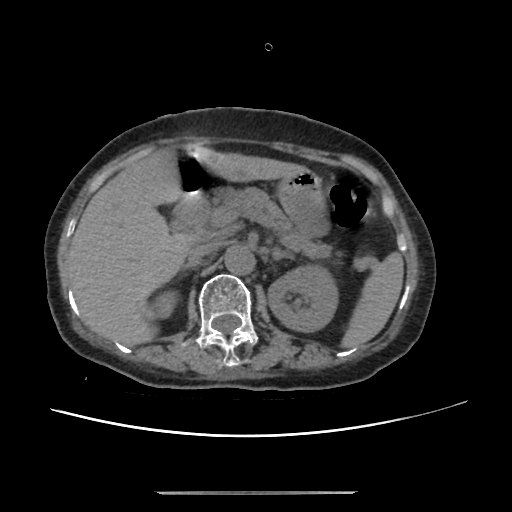 Abdominal CT; Axial slice 247/353; acquired on SOMATOM Force; scan has 14 labeled organs (a whole-scan count: organs this slice does not pass through have no box)
Boxes: x1:y1:x2:y2 in pixels. Labeled organs on this slice: spleen at 341:252:403:348, right adrenal gland at 184:265:190:269, aorta at 224:245:255:274, liver at 68:146:307:346, right kidney at 154:291:176:318, left kidney at 268:265:338:332, inferior vena cava at 187:242:217:266, stomach at 277:170:329:236, pancreas at 221:187:331:258, duodenum at 173:146:209:219, left adrenal gland at 272:248:290:259.